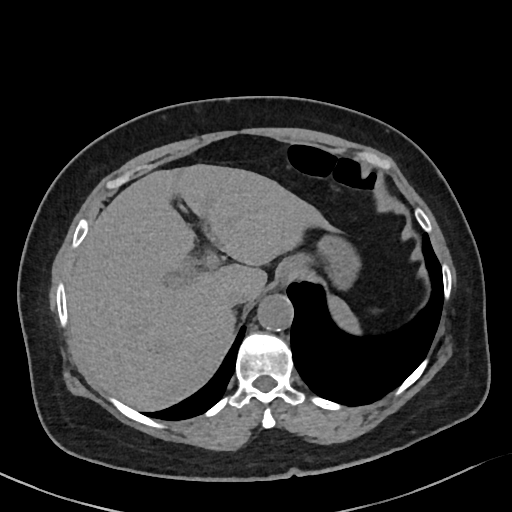 CT abdomen · axial plane, index 161 · W/L 400/40 HU · 512x512 px
Coordinates as <box>x1,y1,x2,y2</box> in pixels.
Organ bounding boxes:
- spleen: <box>328,294,359,334</box>
- liver: <box>68,164,334,411</box>
- stomach: <box>279,237,360,287</box>
- aorta: <box>258,293,293,329</box>
- inferior vena cava: <box>224,284,254,305</box>
- right adrenal gland: <box>232,311,235,318</box>